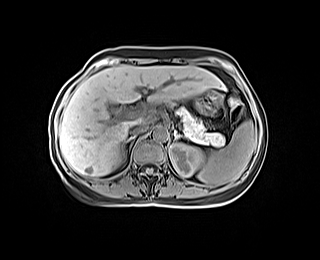
Abdominal MR — axial plane, index 45 — 1st–99th percentile window — acquired on Prisma
{"organs":{"left kidney":[169,143,204,176],"inferior vena cava":[130,124,147,134],"aorta":[153,126,167,140],"stomach":[195,90,222,114],"left adrenal gland":[174,130,182,138],"liver":[59,65,224,176],"spleen":[197,120,255,186],"right adrenal gland":[124,136,136,150],"right kidney":[120,152,124,163],"pancreas":[176,107,225,146]}}